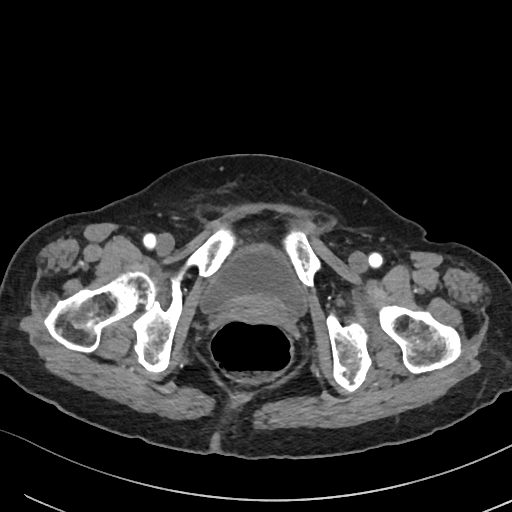
CT abdomen · axial view · 512x512 px · acquired on SOMATOM Force
Each box given as x1,y1,x2,y2.
bladder: x1=198, y1=242, x2=308, y2=315